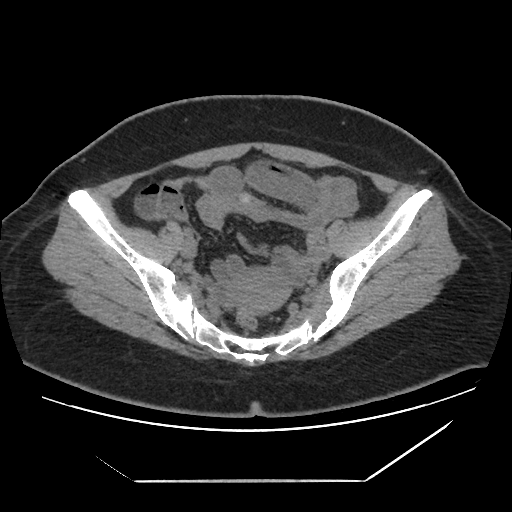
Abdominal CT · axial view
Boxes: x1 y1 x2 y2 (pixel coords, space-separated). 1 labeled organ on this slice — prostate/uterus at 227 268 290 309.